Computed tomography, abdomen. axial view. 512x512 px
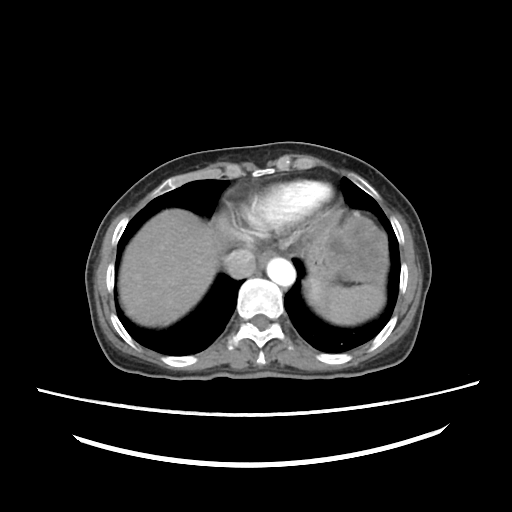
Coordinates as <box>x1,y1,x2,y2</box> in pixels. The annotated organs in this slice are: inferior vena cava at <box>220,247,256,277</box>, spleen at <box>304,278,385,325</box>, esophagus at <box>257,249,273,268</box>, stomach at <box>303,214,389,282</box>, aorta at <box>267,257,294,287</box>, liver at <box>117,207,219,325</box>.